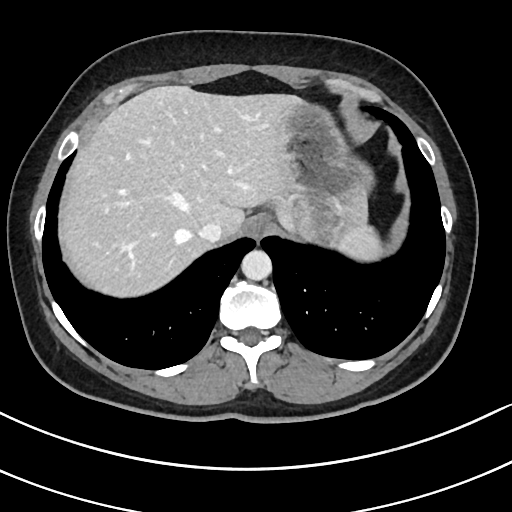

CT abdomen. axial view. scan has 15 labeled organs (a whole-scan count: organs this slice does not pass through have no box)
Boxes: x1 y1 x2 y2 (pixel coords, space-separated).
Organ bounding boxes:
- inferior vena cava: 198 224 218 244
- stomach: 270 98 373 247
- liver: 57 85 297 296
- esophagus: 245 214 272 240
- spleen: 333 223 382 260
- aorta: 241 250 271 280